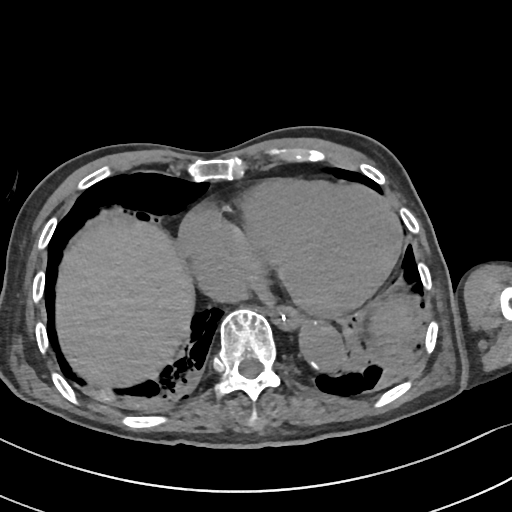
CT, abdomen/pelvis — axial view — abdomen soft-tissue window — SOMATOM Force scanner
{"organs":{"liver":[55,215,392,387],"esophagus":[269,305,302,329],"aorta":[299,321,343,369],"inferior vena cava":[209,277,248,301],"spleen":[369,297,416,354]}}